Computed tomography, abdomen · axial view · soft-tissue window · 512x512 px
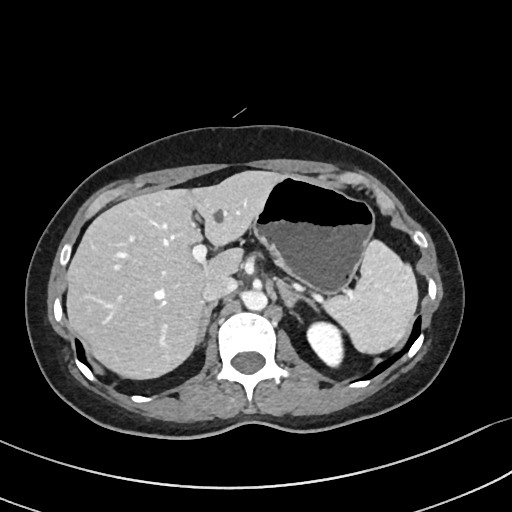

Boxes are (x1, y1, x2, y2) in pixels.
left kidney: (306, 322, 342, 366)
stomach: (253, 175, 374, 294)
right adrenal gland: (198, 302, 216, 344)
aorta: (244, 289, 267, 311)
left adrenal gland: (276, 280, 316, 309)
inferior vena cava: (201, 275, 236, 301)
liver: (66, 171, 285, 379)
spleen: (322, 241, 417, 352)